CT, abdomen/pelvis — Axial slice 68/95 — acquired on Brilliance16
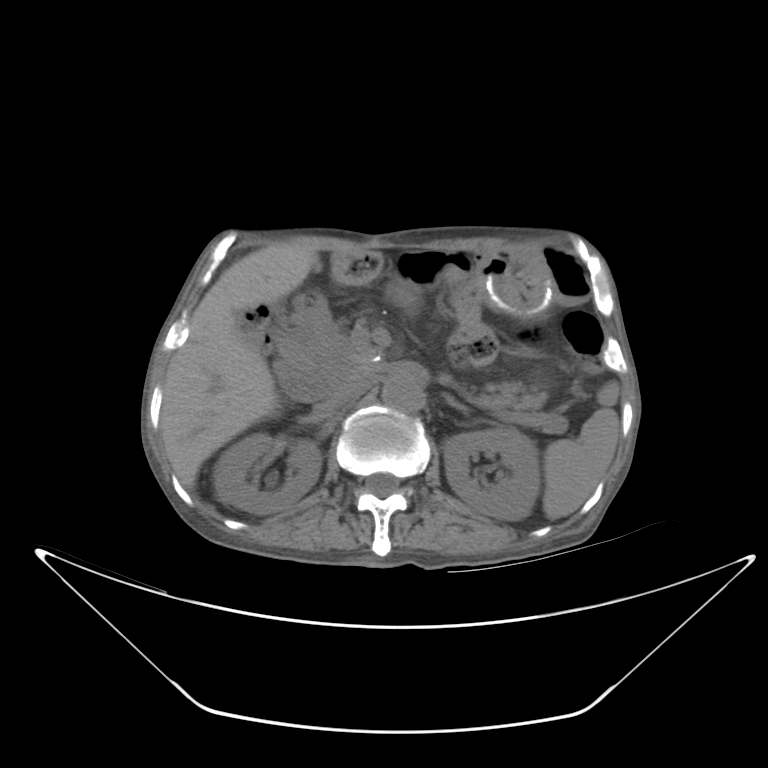

Bounding boxes as [x1, y1, x2, y2] in pixel coordinates. Labeled organs on this slice: liver at [162, 244, 319, 488], pancreas at [478, 378, 565, 433], left kidney at [443, 430, 538, 518], stomach at [488, 252, 548, 313], aorta at [382, 374, 425, 410], right kidney at [211, 430, 320, 514], left adrenal gland at [444, 393, 469, 411], inferior vena cava at [331, 371, 372, 408], spleen at [529, 382, 620, 519].